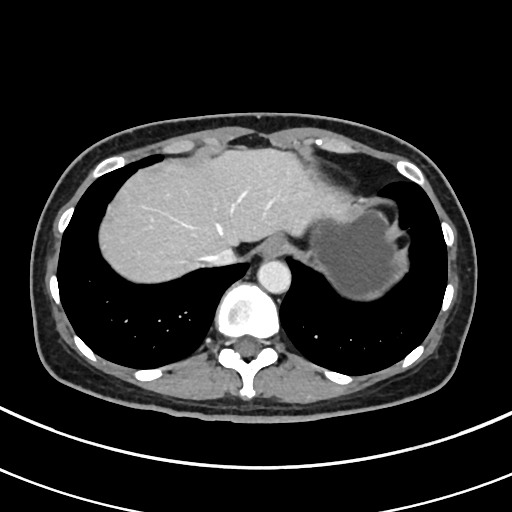

CT abdomen. Axial slice 176/192
Bounding boxes as [x1, y1, x2, y2] in pixel coordinates.
Organ bounding boxes:
- esophagus: [259, 235, 285, 259]
- liver: [99, 148, 344, 282]
- stomach: [307, 208, 405, 297]
- aorta: [257, 260, 291, 293]
- inferior vena cava: [205, 247, 236, 265]